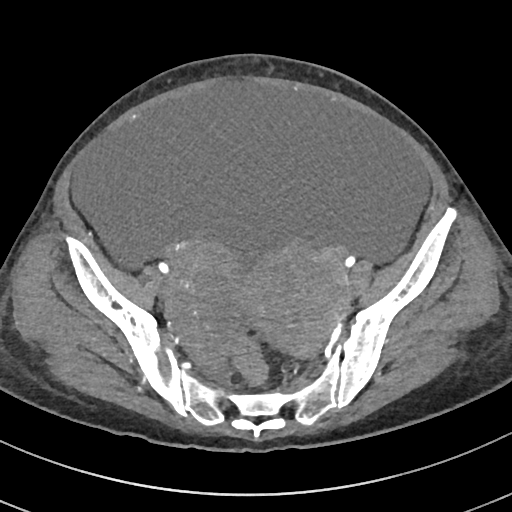
Abdominal CT; axial view; soft-tissue window; 512x512 px
{"organs":{"duodenum":[274,317,281,320]}}